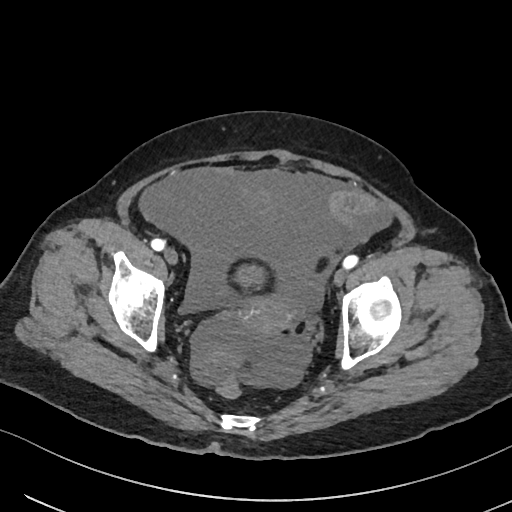

CT, abdomen/pelvis · axial view
Boxes are (x1, y1, x2, y2) in pixels. Labeled organs on this slice: bladder at (238, 265, 261, 284), prostate/uterus at (237, 293, 299, 335).